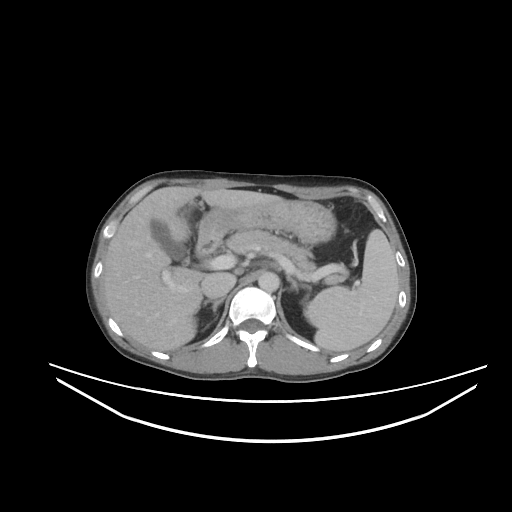
Abdominal CT · axial view · soft-tissue window (W 400 / L 40)
Boxes: x1:y1:x2:y2 in pixels.
spleen: 304:229:399:351
gall bladder: 151:220:187:259
liver: 102:186:281:351
stomach: 198:199:336:245
aorta: 258:271:279:292
inferior vena cava: 201:273:236:298
pancreas: 225:230:347:280
right adrenal gland: 203:298:224:313
left adrenal gland: 286:275:311:291
duodenum: 195:241:219:258